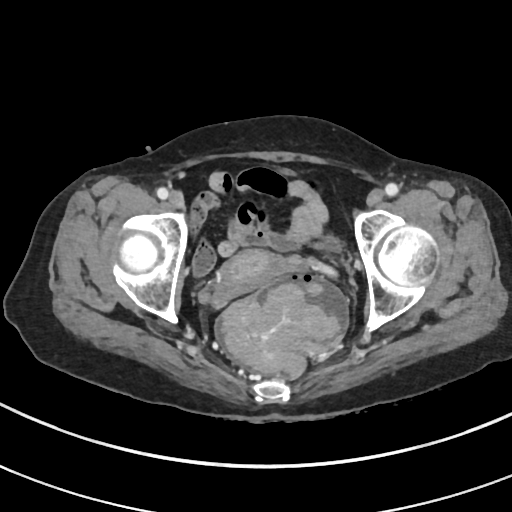 Abdominal CT · axial plane, index 27
Boxes: x1 y1 x2 y2 (pixel coords, space-separated). 2 labeled organs on this slice — bladder at 284 168 341 252; prostate/uterus at 215 251 283 298.